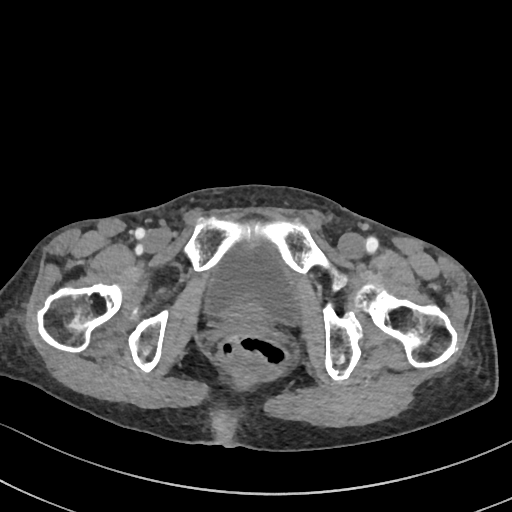 CT, abdomen/pelvis — axial view
{"organs":{"bladder":[208,241,296,319]}}